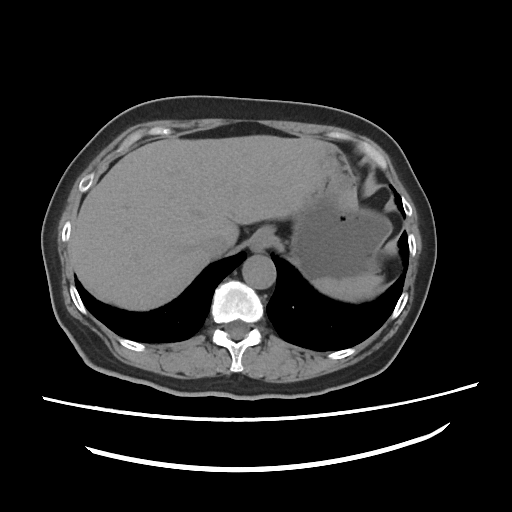

Abdominal CT · axial view · W/L 400/40 HU · 61-year-old female patient
Boxes: x1:y1:x2:y2 in pixels.
Organ bounding boxes:
- spleen: 313:274:382:301
- esophagus: 249:226:274:251
- liver: 72:135:337:310
- stomach: 289:152:392:280
- aorta: 242:255:275:289
- inferior vena cava: 200:232:229:257